CT abdomen — axial view — 512x512 px
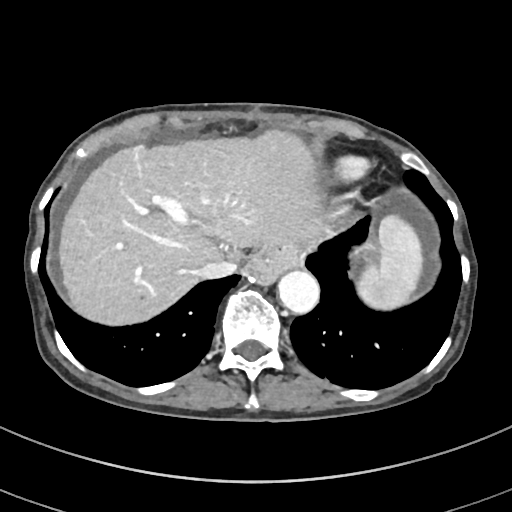

Boxes: x1 y1 x2 y2 (pixel coords, space-separated).
Organ bounding boxes:
- spleen: 356 214 422 311
- liver: 58 127 323 324
- aorta: 277 269 319 312
- inferior vena cava: 199 259 236 279